Abdominal CT; axial view; abdomen soft-tissue window; 512x512 px; acquired on SOMATOM Force; scan has 14 labeled organs (counted over the whole 3D scan, not this slice; an organ is boxed only where this slice passes through it)
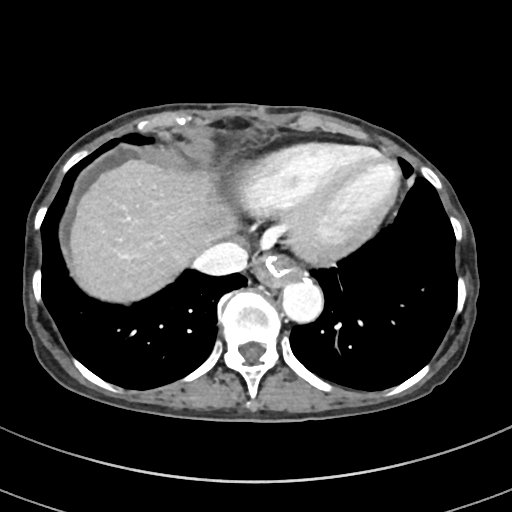 Each box given as x1,y1,x2,y2.
Organ bounding boxes:
- esophagus: x1=253, y1=254, x2=302, y2=287
- liver: x1=69, y1=159, x2=236, y2=302
- aorta: x1=282, y1=278, x2=323, y2=322
- inferior vena cava: x1=193, y1=242, x2=247, y2=276